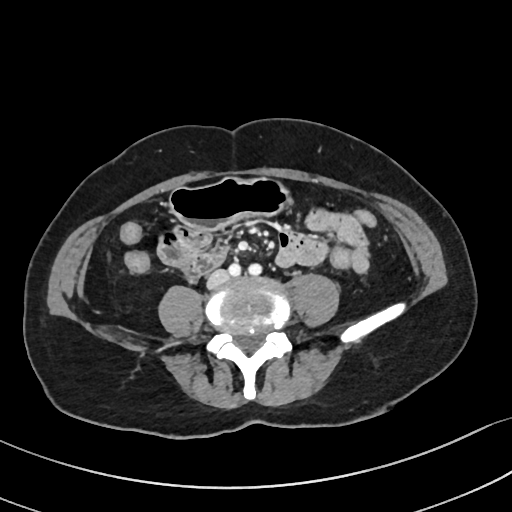
Abdominal CT — axial view — scan has 15 labeled organs (counted over the whole 3D scan, not this slice; an organ is boxed only where this slice passes through it)
Each box given as x1,y1,x2,y2. Labeled organs on this slice: duodenum at x1=186, y1=246, x2=228, y2=277, stomach at x1=166, y1=178, x2=293, y2=230, inferior vena cava at x1=207, y1=270, x2=230, y2=289.